CT, abdomen/pelvis · axial view · soft-tissue window (W 400 / L 40) · 768x768 px
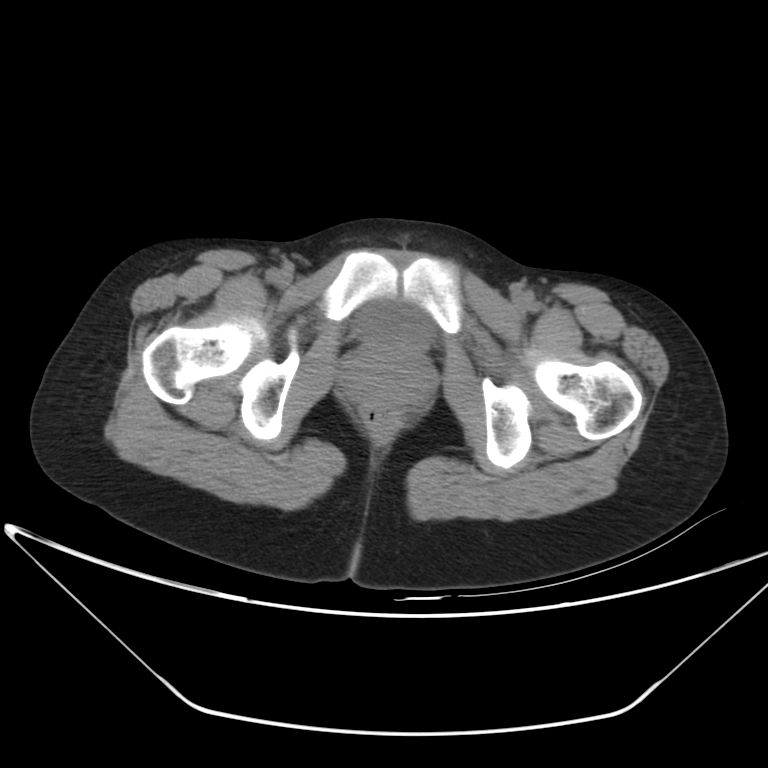 Boxes are (x1, y1, x2, y2) in pixels.
Organ bounding boxes:
- bladder: (356, 302, 433, 350)
- prostate/uterus: (349, 344, 430, 406)